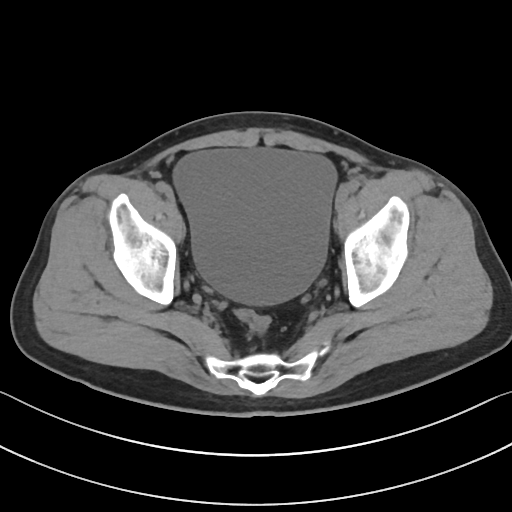

CT, abdomen/pelvis · axial view · soft-tissue window · acquired on SOMATOM Force
Organ boxes in pixel coordinates; each row gives the top-left (x1, y1) and bottom-right (x2, y2) corners.
| organ | x1 | y1 | x2 | y2 |
|---|---|---|---|---|
| bladder | 173 | 149 | 335 | 305 |